Abdominal CT — axial view — abdomen soft-tissue window — 512x512 px — 15 organs annotated in this scan (a whole-scan count: organs this slice does not pass through have no box)
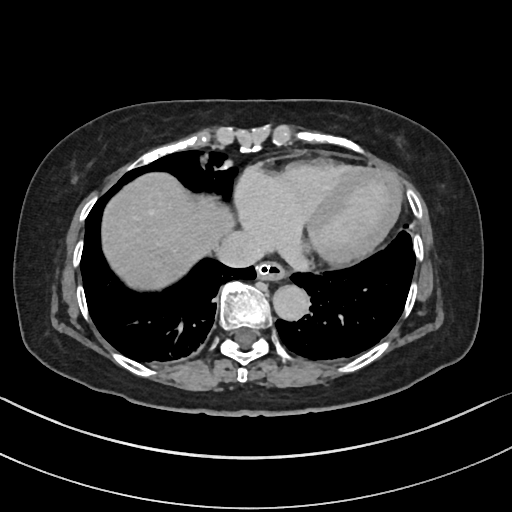

Bounding boxes as [x1, y1, x2, y2] in pixel coordinates.
inferior vena cava: [215, 231, 264, 267]
esophagus: [257, 260, 286, 280]
liver: [101, 172, 237, 290]
aorta: [273, 284, 309, 320]